Abdominal CT — axial plane, index 59 — abdomen soft-tissue window — scan has 15 labeled organs (a whole-scan count: organs this slice does not pass through have no box)
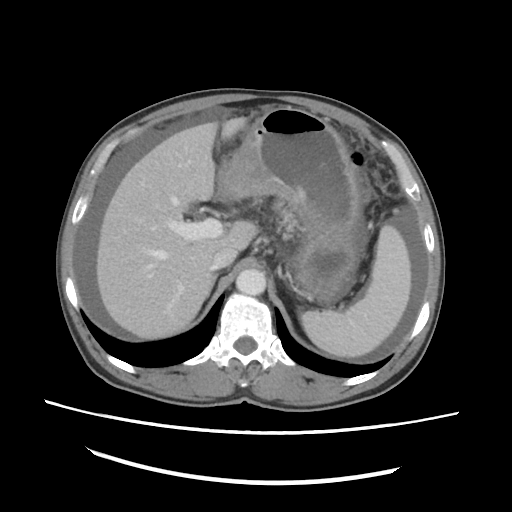 {"organs":{"inferior vena cava":[212,247,237,269],"aorta":[236,269,266,295],"spleen":[300,225,411,357],"right adrenal gland":[211,273,218,289],"stomach":[219,107,361,303],"liver":[96,117,257,338]}}